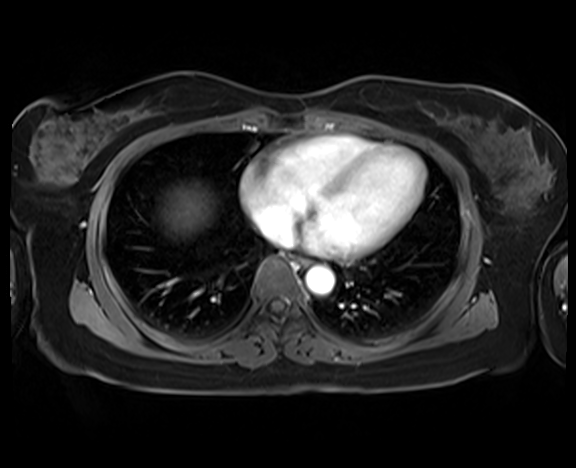 Abdominal MRI — Axial slice 66/72 — acquired on Prisma
<organs><organ name="esophagus" x1="295" y1="257" x2="310" y2="267"/><organ name="liver" x1="164" y1="188" x2="210" y2="231"/><organ name="aorta" x1="305" y1="265" x2="334" y2="294"/><organ name="inferior vena cava" x1="269" y1="225" x2="292" y2="245"/></organs>